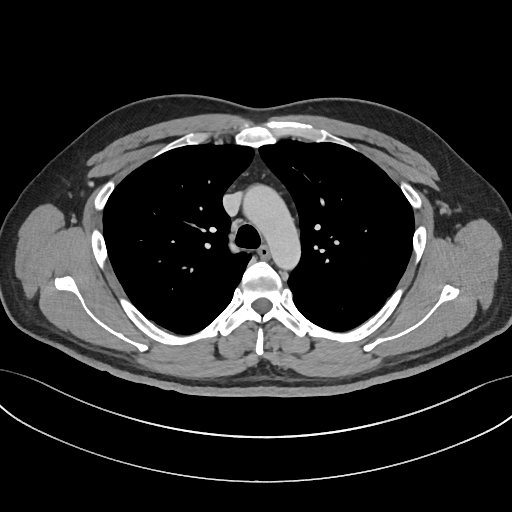 CT of the abdomen extending into the chest, slice through the chest; axial view; soft-tissue window; 15 organs annotated in this scan (counted over the whole 3D scan, not this slice; an organ is boxed only where this slice passes through it)
On a slice this high in the chest, this dataset labels only the esophagus and the aorta, and each is boxed only where it is labeled; the heart, lungs and other chest structures are not labeled.
<organs><organ name="esophagus" x1="257" y1="245" x2="270" y2="258"/><organ name="aorta" x1="244" y1="186" x2="300" y2="267"/></organs>